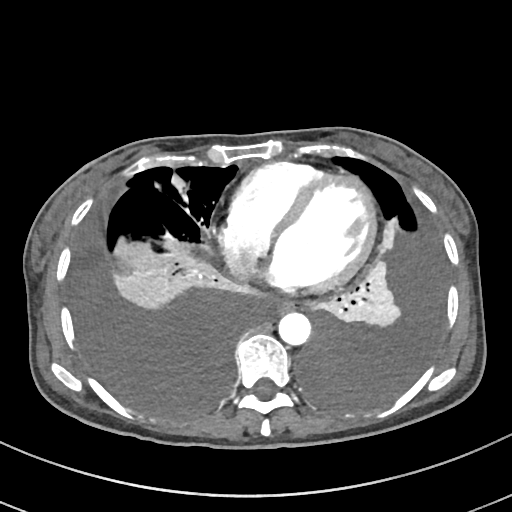 Lower-chest slice from an abdominal CT, just above the liver and spleen — axial view — W/L 400/40 HU — 512x512 px — 15 organs annotated in this scan (a whole-scan count: organs this slice does not pass through have no box)
The heart and lungs are never labeled in this dataset, so they have no box on this slice. Boxes: x1 y1 x2 y2 (pixel coords, space-separated). Labeled organs on this slice: esophagus at 276 300 291 312, aorta at 278 312 310 344, inferior vena cava at 224 251 257 279.